Abdominal CT; axial plane, index 116; 512x512 px
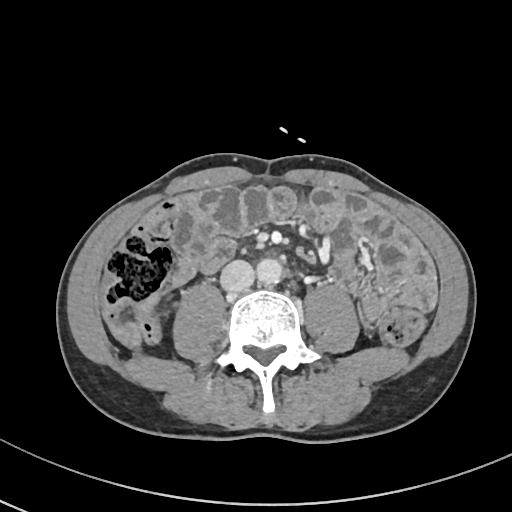 Bounding boxes in pixels, one row per box: x1, y1 is the top-left corner and x2, y2 the bottom-right.
| organ | x1 | y1 | x2 | y2 |
|---|---|---|---|---|
| aorta | 256 | 258 | 283 | 284 |
| inferior vena cava | 220 | 260 | 254 | 292 |